CT abdomen. Axial slice 87/103. abdomen soft-tissue window. scan has 15 labeled organs (counted over the whole 3D scan, not this slice; an organ is boxed only where this slice passes through it)
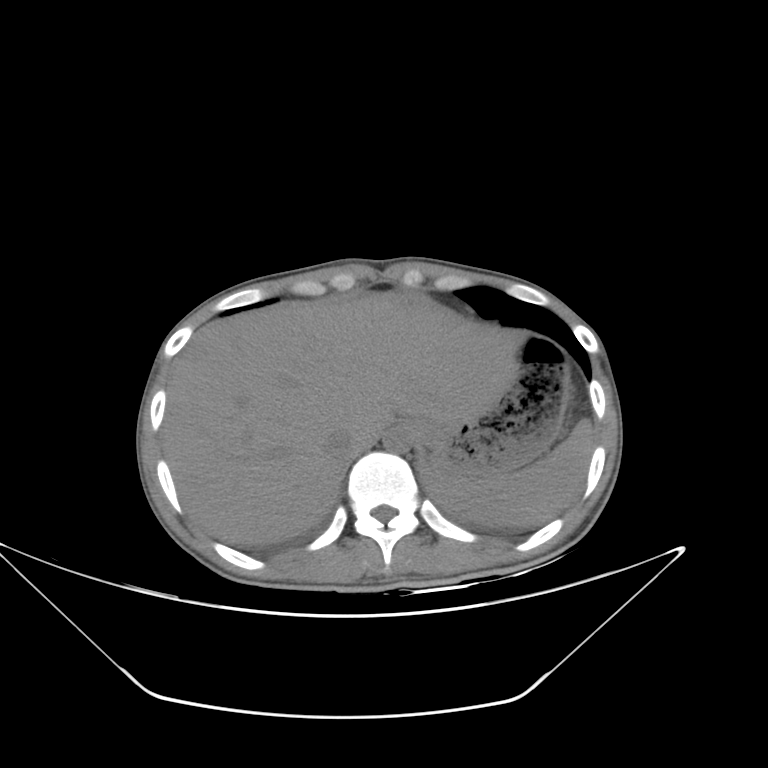 Boxes: x1 y1 x2 y2 (pixel coords, space-separated). 5 labeled organs on this slice — spleen at 424 418 592 527; liver at 163 292 525 545; stomach at 407 336 567 478; aorta at 383 425 413 452; inferior vena cava at 325 429 359 458.